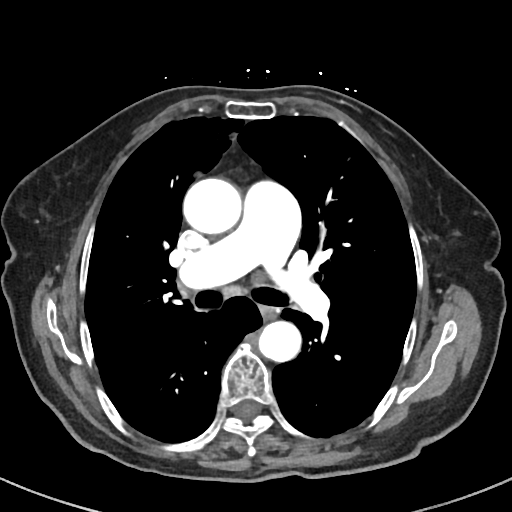

Chest-level CT slice, above the liver and spleen. axial view. scan has 15 labeled organs (a whole-scan count: organs this slice does not pass through have no box)
On a slice this high in the chest, this dataset labels only the esophagus and the aorta, and each is boxed only where it is labeled; the heart, lungs and other chest structures are not labeled.
Boxes: x1:y1:x2:y2 in pixels.
esophagus: 260:305:276:320
aorta: 182:177:240:234
aorta: 257:321:300:362